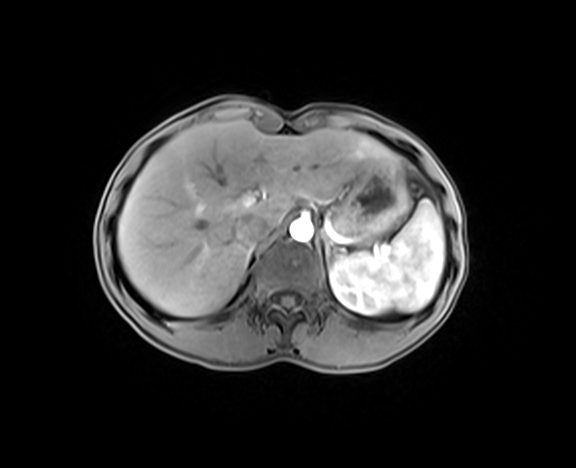
Abdominal MRI; Axial slice 49/72; 13 organs annotated in this scan (counted over the whole 3D scan, not this slice; an organ is boxed only where this slice passes through it)
Box edges are left/top/right/bottom in pixels. Labeled organs on this slice: spleen at left=351, top=200, right=444, bottom=311, left kidney at left=330, top=256, right=387, bottom=314, liver at left=117, top=120, right=401, bottom=316, stomach at left=342, top=167, right=411, bottom=243, aorta at left=289, top=218, right=313, bottom=242, inferior vena cava at left=233, top=215, right=270, bottom=246, left adrenal gland at left=322, top=234, right=334, bottom=257.